CT abdomen. axial view. 512x512 px
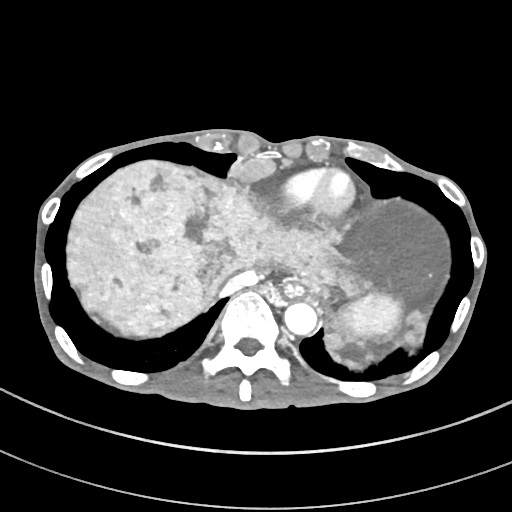
Organ boxes in pixel coordinates; each row gives the top-left (x1, y1) and bottom-right (x2, y2) corners.
| organ | x1 | y1 | x2 | y2 |
|---|---|---|---|---|
| spleen | 337 | 295 | 402 | 343 |
| liver | 65 | 160 | 451 | 370 |
| inferior vena cava | 218 | 272 | 258 | 300 |
| esophagus | 283 | 284 | 305 | 296 |
| aorta | 283 | 302 | 317 | 335 |